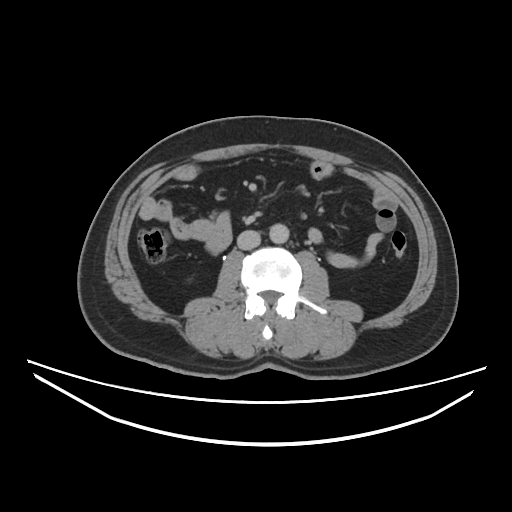
CT, abdomen/pelvis; axial view; W/L 400/40 HU; scan has 15 labeled organs (counted over the whole 3D scan, not this slice; an organ is boxed only where this slice passes through it)
{"organs":{"right kidney":[189,279,190,280],"aorta":[268,223,288,243],"inferior vena cava":[238,229,259,249]}}